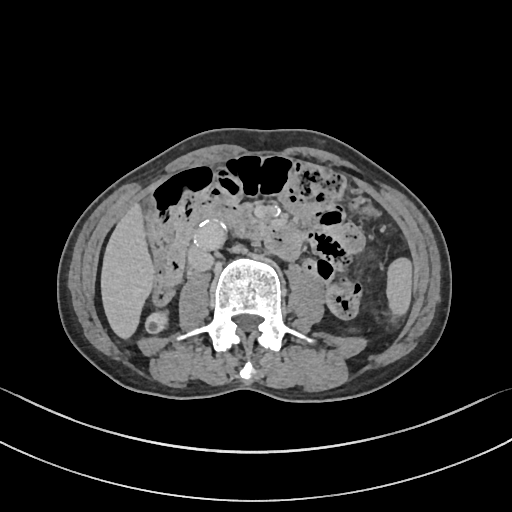

CT, abdomen/pelvis — axial view — W/L 400/40 HU
{"organs":{"spleen":[386,257,411,317],"aorta":[192,221,226,250],"duodenum":[195,200,302,258],"stomach":[363,203,379,217],"right kidney":[145,312,167,333],"liver":[101,204,154,338],"inferior vena cava":[187,247,214,271]}}